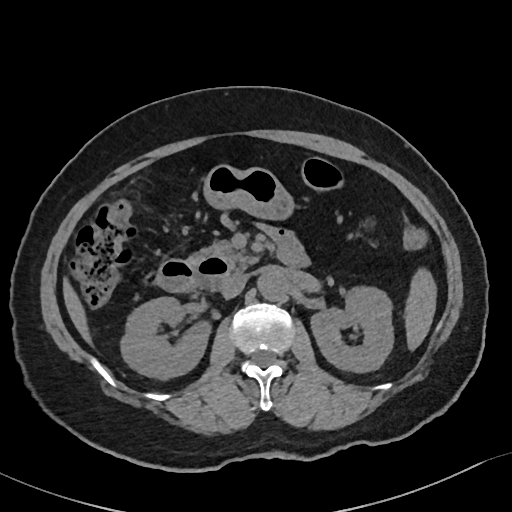 Abdominal CT; axial view; soft-tissue window; scan has 15 labeled organs (that count is for the whole scan; organs this slice misses have no box)
Bounding boxes in pixels, one row per box: x1, y1 is the top-left corner and x2, y2 the bottom-right.
| organ | x1 | y1 | x2 | y2 |
|---|---|---|---|---|
| aorta | 258 | 271 | 288 | 301 |
| liver | 63 | 281 | 90 | 342 |
| spleen | 404 | 267 | 436 | 350 |
| inferior vena cava | 221 | 273 | 247 | 298 |
| duodenum | 156 | 257 | 232 | 292 |
| pancreas | 191 | 240 | 257 | 270 |
| stomach | 203 | 164 | 294 | 219 |
| right kidney | 121 | 297 | 210 | 379 |
| left kidney | 311 | 286 | 393 | 372 |